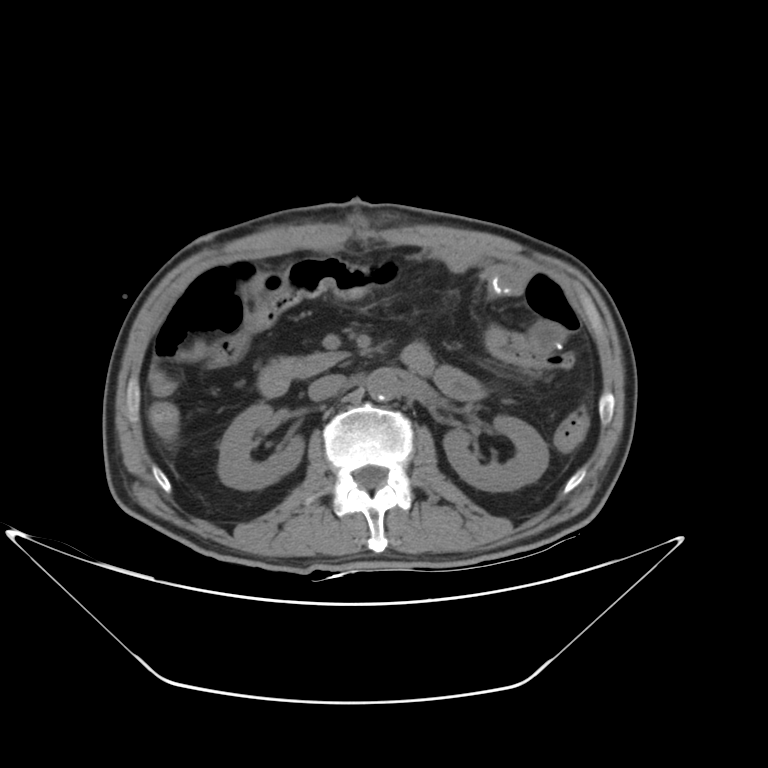 CT abdomen · axial view · 768x768 px · 65-year-old male patient
<organs><organ name="right kidney" x1="219" y1="404" x2="304" y2="490"/><organ name="left kidney" x1="444" y1="416" x2="548" y2="491"/><organ name="aorta" x1="366" y1="367" x2="398" y2="401"/><organ name="inferior vena cava" x1="308" y1="374" x2="345" y2="401"/><organ name="pancreas" x1="275" y1="352" x2="346" y2="377"/><organ name="duodenum" x1="257" y1="343" x2="434" y2="397"/></organs>